Chest-level CT slice, above the liver and spleen — axial view — soft-tissue window
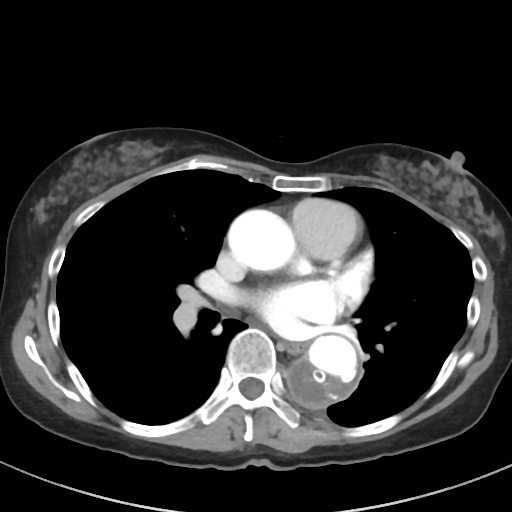

At this level of the chest no structure but the esophagus and the aorta has a label in this dataset, and those two are boxed only where they are labeled.
<organs><organ name="esophagus" x1="284" y1="343" x2="304" y2="353"/><organ name="aorta" x1="290" y1="335" x2="358" y2="407"/><organ name="aorta" x1="228" y1="209" x2="294" y2="271"/></organs>